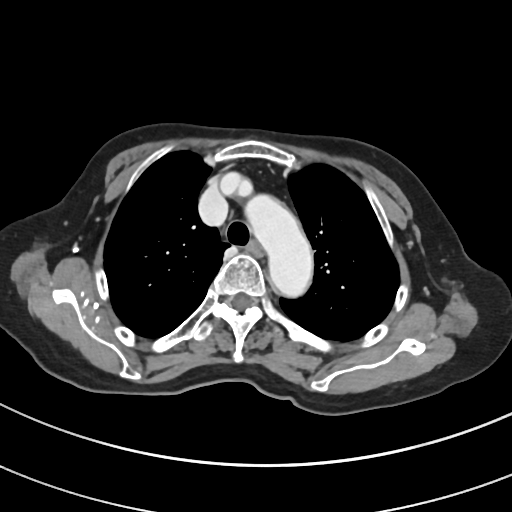

Chest-level slice from an abdominal CT that extends up into the chest · Axial slice 252/284 · soft-tissue window (W 400 / L 40) · acquired on SOMATOM Force
On a slice this high in the chest, this dataset labels only the esophagus and the aorta, and each is boxed only where it is labeled; the heart, lungs and other chest structures are not labeled.
Boxes: x1:y1:x2:y2 in pixels.
Organ bounding boxes:
- esophagus: 250:243:263:257
- aorta: 242:191:313:300